CT abdomen · axial view · 512x512 px · acquired on SOMATOM Force
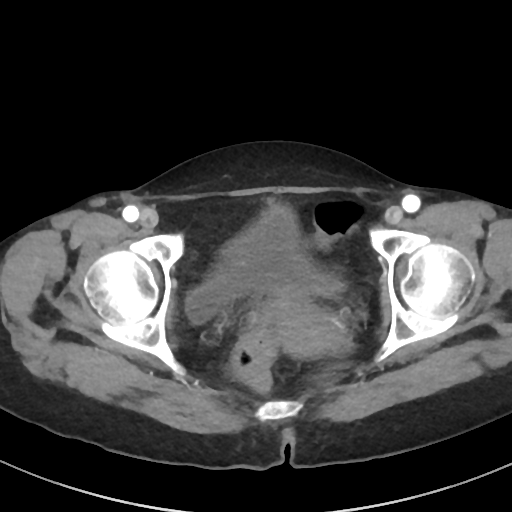 Coordinates as <box>x1,y1,x2,y2</box> in pixels.
Organ bounding boxes:
- prostate/uterus: <box>270,289,343,357</box>
- bladder: <box>184,205,344,321</box>